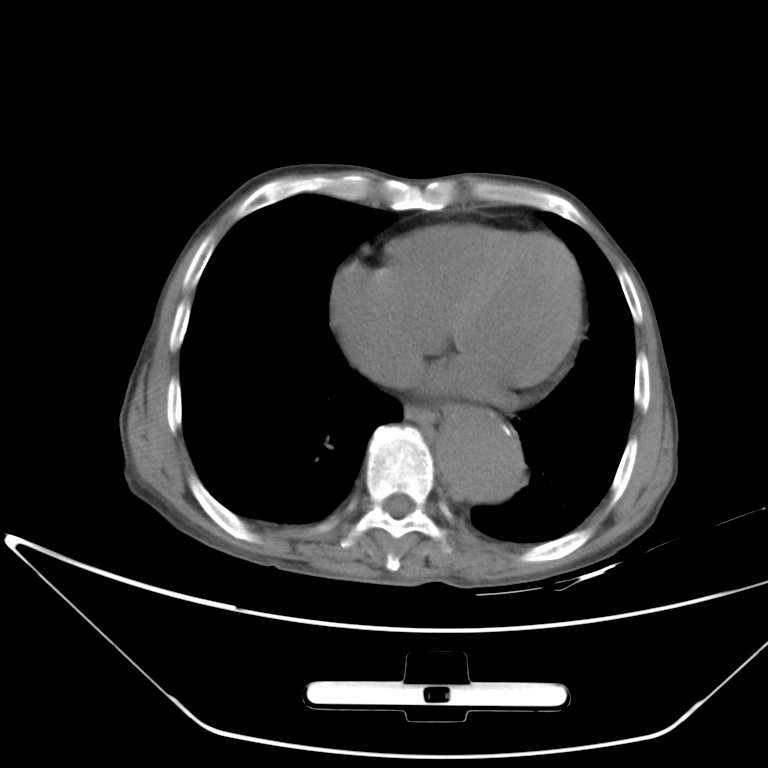 Lower-chest slice from an abdominal CT, just above the liver and spleen — axial view
The heart and lungs are never labeled in this dataset, so they have no box on this slice. Coordinates as <box>x1,y1,x2,y2</box> in pixels. Labeled organs on this slice: esophagus at <box>404,404,439,426</box>, aorta at <box>435,406,522,501</box>, inferior vena cava at <box>352,328,421,389</box>.